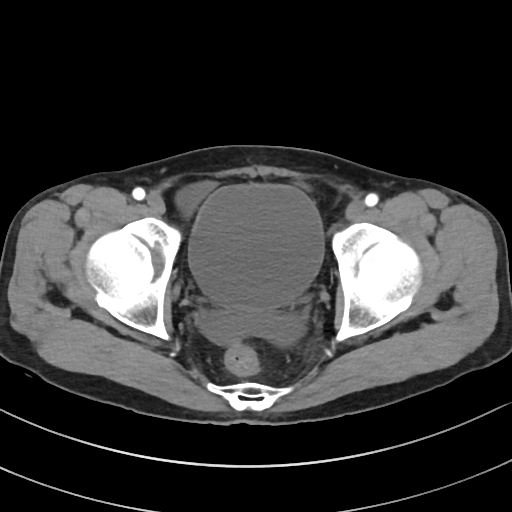

Abdominal CT; axial plane, index 15; 15 organs annotated in this scan (that count is for the whole scan; organs this slice misses have no box)
Boxes are (x1, y1, x2, y2) in pixels.
Organ bounding boxes:
- bladder: (188, 184, 323, 311)